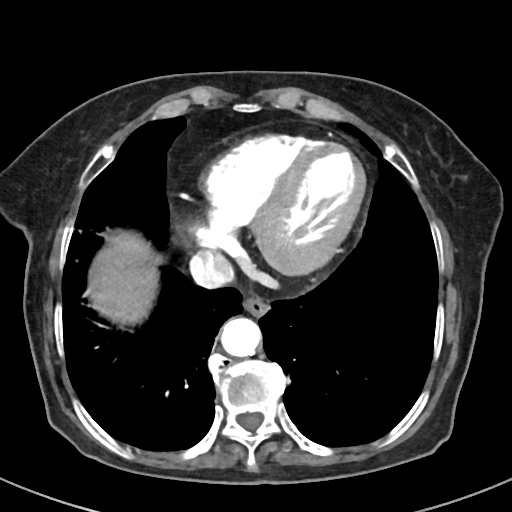
Computed tomography, abdomen. axial plane, index 183. W/L 400/40 HU. 512x512 px
<organs><organ name="esophagus" x1="243" y1="297" x2="269" y2="316"/><organ name="liver" x1="88" y1="231" x2="157" y2="323"/><organ name="aorta" x1="220" y1="317" x2="260" y2="357"/><organ name="inferior vena cava" x1="189" y1="251" x2="234" y2="288"/></organs>